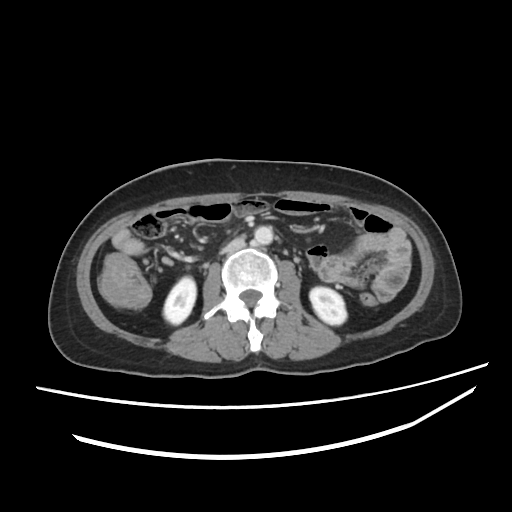 Computed tomography, abdomen; axial plane, index 51; soft-tissue window (W 400 / L 40); acquired on Aquilion ONE; scan has 15 labeled organs (that count is for the whole scan; organs this slice misses have no box)
Box edges are left/top/right/bottom in pixels.
right kidney: left=163, top=276, right=196, bottom=324
left kidney: left=309, top=287, right=346, bottom=325
aorta: left=254, top=226, right=273, bottom=244
inferior vena cava: left=220, top=237, right=244, bottom=253